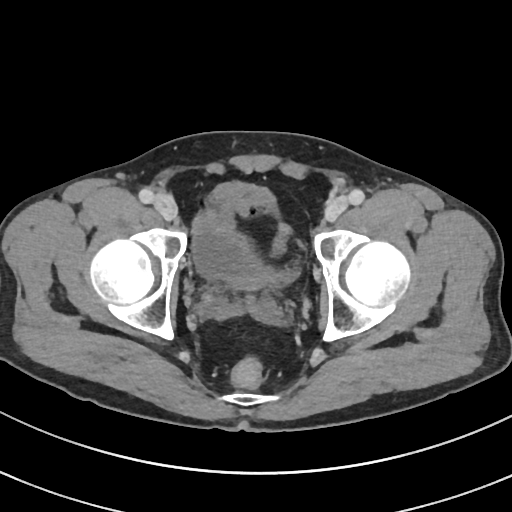
CT abdomen; axial view; W/L 400/40 HU
Boxes are (x1, y1, x2, y2) in pixels.
Organ bounding boxes:
- bladder: (192, 190, 297, 291)